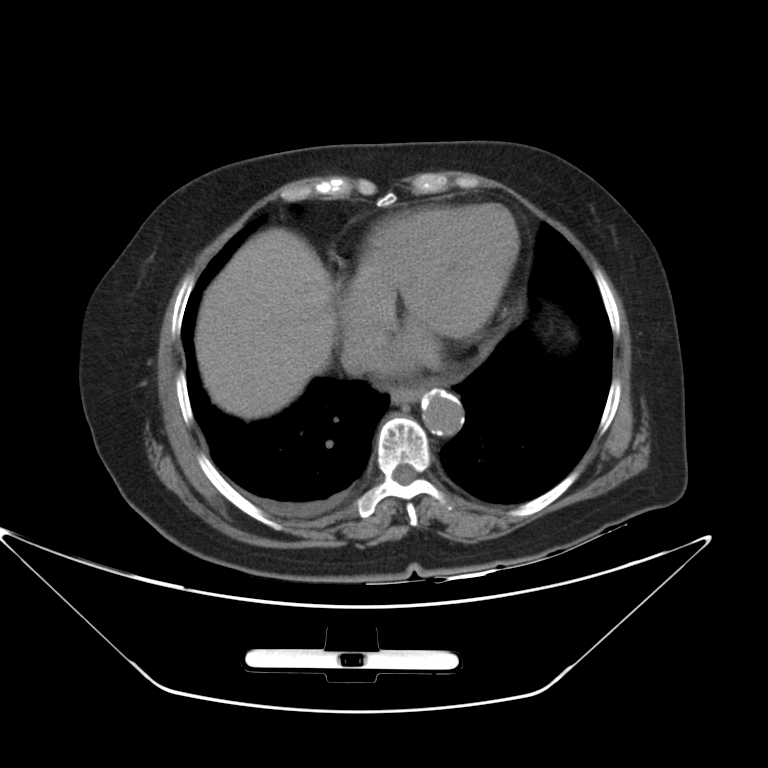
Abdominal CT · axial view · abdomen soft-tissue window · 15 organs annotated in this scan (counted over the whole 3D scan, not this slice; an organ is boxed only where this slice passes through it)
{"organs":{"esophagus":[389,384,426,403],"liver":[194,228,336,418],"aorta":[420,391,464,436],"inferior vena cava":[341,330,384,375]}}